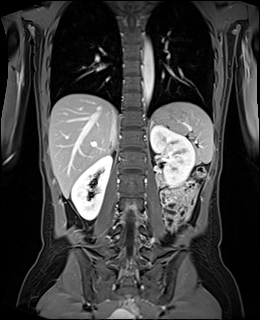

MRI, abdomen. coronal acquisition. 13 organs annotated in this scan (that count is for the whole scan; organs this slice misses have no box)
Boxes are (x1, y1, x2, y2) in pixels. Labeled organs on this slice: spleen at (157, 102, 213, 163), right kidney at (71, 154, 112, 220), left kidney at (150, 125, 195, 187), liver at (49, 93, 114, 198), stomach at (151, 111, 175, 124), aorta at (143, 41, 153, 106), inferior vena cava at (110, 110, 116, 143), right adrenal gland at (109, 144, 113, 153), left adrenal gland at (150, 124, 152, 128).